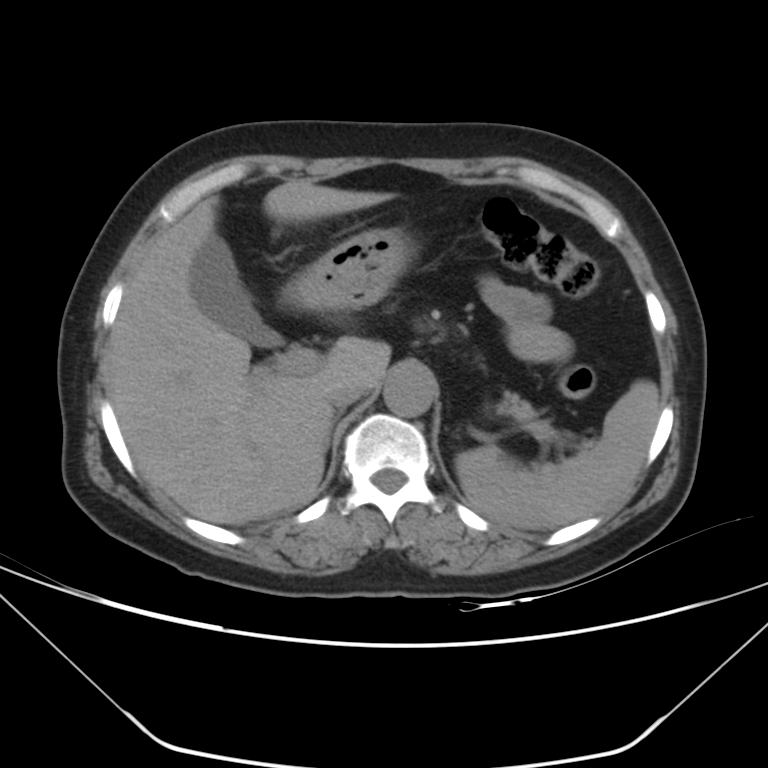
Abdominal CT · Axial slice 68/89 · abdomen soft-tissue window · 768x768 px · 40-year-old male patient · Brilliance16 scanner
Bounding boxes as [x1, y1, x2, y2] in pixel coordinates. 8 labeled organs on this slice — spleen at [456, 380, 658, 530]; gall bladder at [191, 232, 280, 346]; liver at [105, 179, 392, 524]; stomach at [286, 229, 407, 310]; aorta at [383, 368, 436, 417]; inferior vena cava at [326, 378, 364, 408]; pancreas at [500, 396, 535, 423]; right adrenal gland at [327, 414, 339, 446].